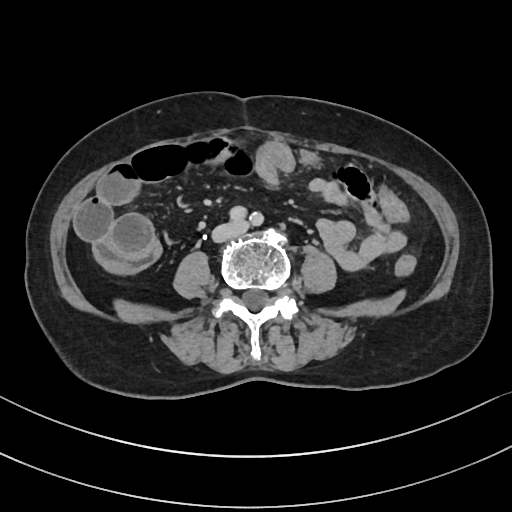

Computed tomography, abdomen · axial view
<organs><organ name="inferior vena cava" x1="214" y1="223" x2="241" y2="240"/></organs>